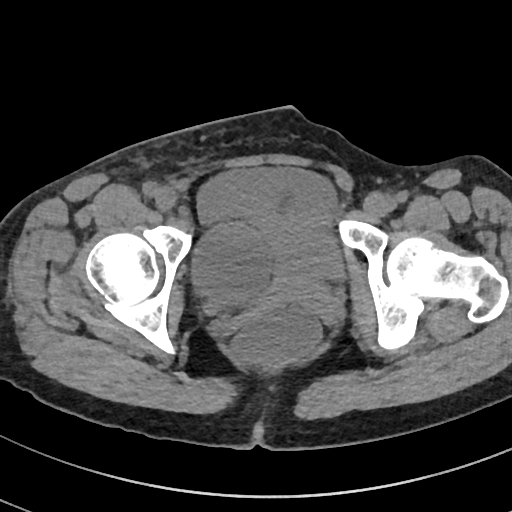 Abdominal CT · axial view · soft-tissue window (W 400 / L 40) · 15 organs annotated in this scan (counted over the whole 3D scan, not this slice; an organ is boxed only where this slice passes through it)
<organs><organ name="prostate/uterus" x1="258" y1="273" x2="341" y2="317"/><organ name="bladder" x1="198" y1="167" x2="346" y2="279"/></organs>